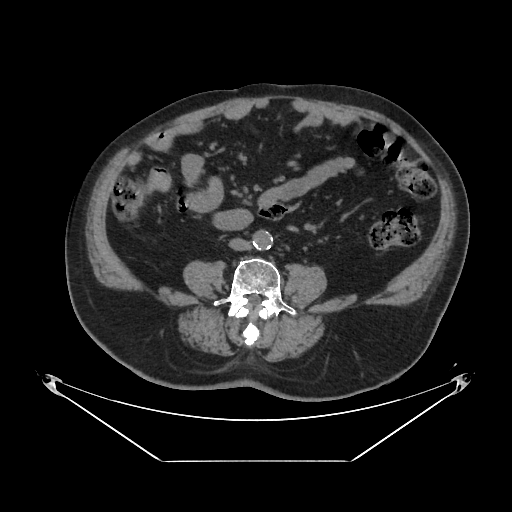

Computed tomography, abdomen — axial view — W/L 400/40 HU
Bounding boxes as [x1, y1, x2, y2] in pixel coordinates.
Organ bounding boxes:
- aorta: [253, 230, 273, 249]
- inferior vena cava: [229, 238, 249, 250]